Abdominal CT — axial view — soft-tissue window (W 400 / L 40)
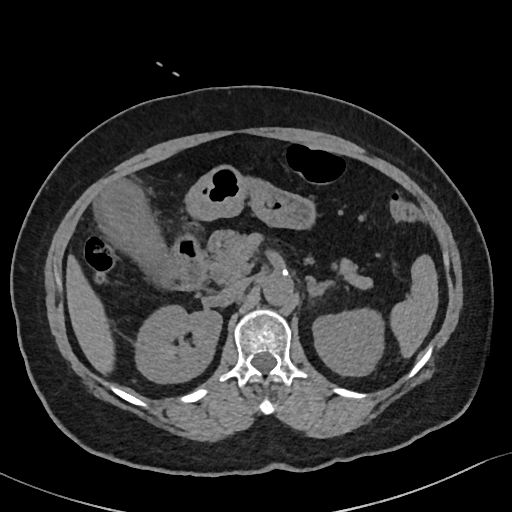

Organ boxes in pixel coordinates; each row gives the top-left (x1, y1) and bottom-right (x2, y2) corners.
| organ | x1 | y1 | x2 | y2 |
|---|---|---|---|---|
| spleen | 392 | 253 | 438 | 357 |
| right kidney | 136 | 307 | 221 | 384 |
| left kidney | 313 | 309 | 382 | 376 |
| gall bladder | 96 | 182 | 180 | 291 |
| liver | 66 | 253 | 114 | 376 |
| stomach | 184 | 166 | 313 | 230 |
| aorta | 263 | 274 | 293 | 306 |
| inferior vena cava | 220 | 278 | 248 | 297 |
| pancreas | 204 | 228 | 371 | 289 |
| left adrenal gland | 308 | 279 | 330 | 294 |
| duodenum | 172 | 233 | 206 | 291 |